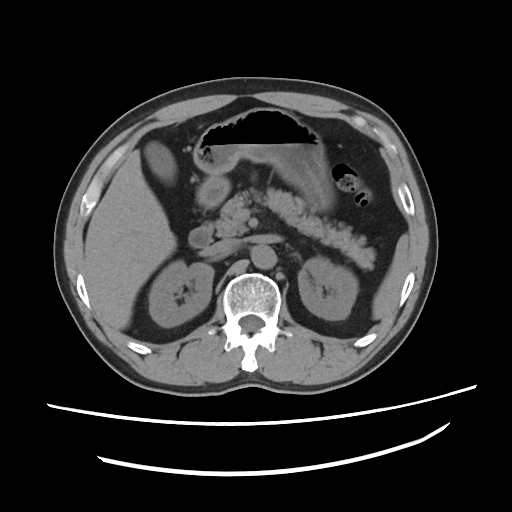
CT abdomen; axial view; W/L 400/40 HU; 512x512 px
Each box given as x1,y1,x2,y2.
spleen: x1=372, y1=233, x2=410, y2=320
inferior vena cava: x1=218, y1=238, x2=238, y2=251
pancreas: x1=206, y1=188, x2=374, y2=268
gall bladder: x1=143, y1=140, x2=175, y2=182
liver: x1=84, y1=150, x2=175, y2=327
aorta: x1=251, y1=246, x2=277, y2=270
right kidney: x1=148, y1=262, x2=213, y2=327
left kidney: x1=297, y1=256, x2=357, y2=320
stomach: x1=193, y1=108, x2=330, y2=209
duodenum: x1=189, y1=227, x2=210, y2=248